Abdominal CT; axial plane, index 2; abdomen soft-tissue window
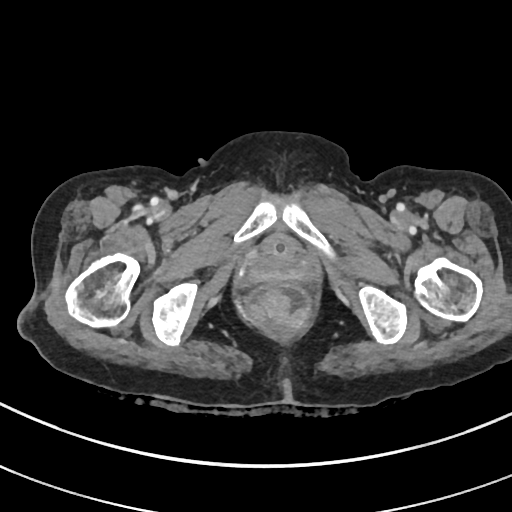
{"organs":{"bladder":[259,233,301,262]}}